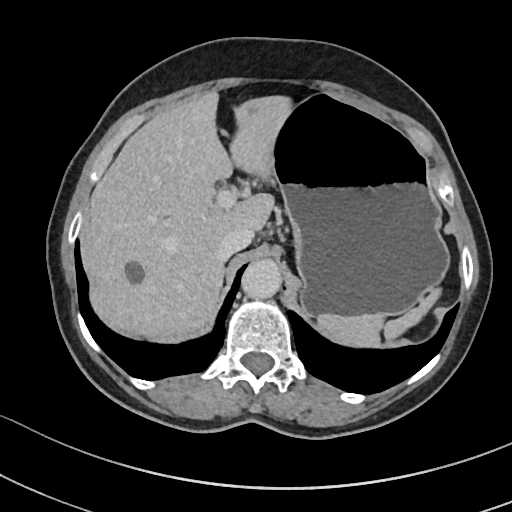

CT, abdomen/pelvis — Axial slice 154/192 — SOMATOM Force scanner
Bounding boxes in pixels, one row per box: x1, y1 is the top-left corner and x2, y2 the bottom-right.
| organ | x1 | y1 | x2 | y2 |
|---|---|---|---|---|
| spleen | 317 | 288 | 440 | 347 |
| liver | 80 | 91 | 293 | 341 |
| stomach | 272 | 94 | 449 | 319 |
| aorta | 241 | 260 | 281 | 298 |
| inferior vena cava | 216 | 226 | 253 | 261 |